CT, abdomen/pelvis; axial view; 15 organs annotated in this scan (counted over the whole 3D scan, not this slice; an organ is boxed only where this slice passes through it)
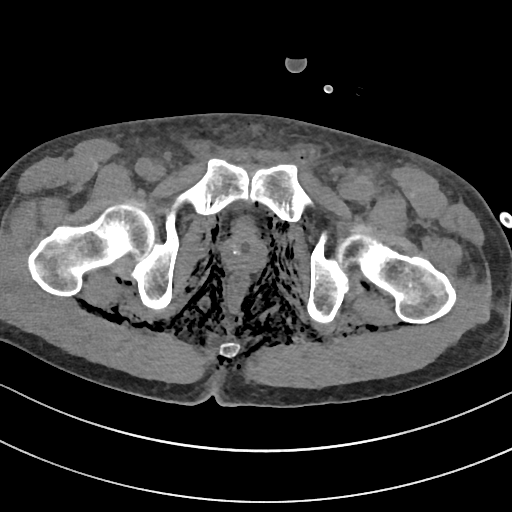 <organs><organ name="prostate/uterus" x1="223" y1="236" x2="264" y2="270"/><organ name="bladder" x1="235" y1="220" x2="253" y2="237"/></organs>